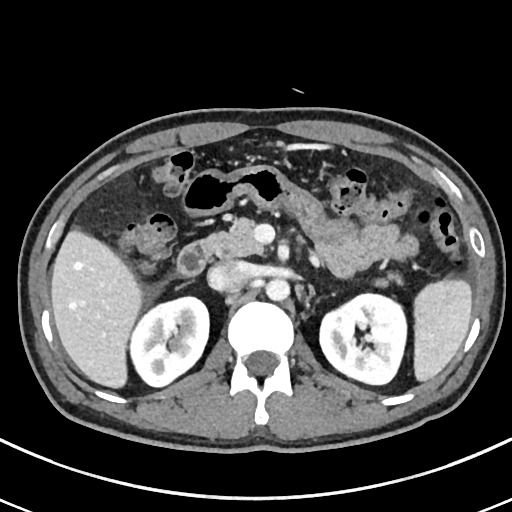 CT abdomen; axial view; 512x512 px; acquired on SOMATOM Force
Coordinates as <box>x1,y1,x2,y2</box> in pixels. Labeled organs on this slice: spleen at <box>413,279,472,382</box>, aorta at <box>265,278,290,301</box>, pancreas at <box>209,216,404,287</box>, liver at <box>50,227,142,389</box>, right kidney at <box>130,297,209,386</box>, left kidney at <box>319,293,408,385</box>, inferior vena cava at <box>207,260,251,290</box>, duodenum at <box>177,239,213,276</box>.